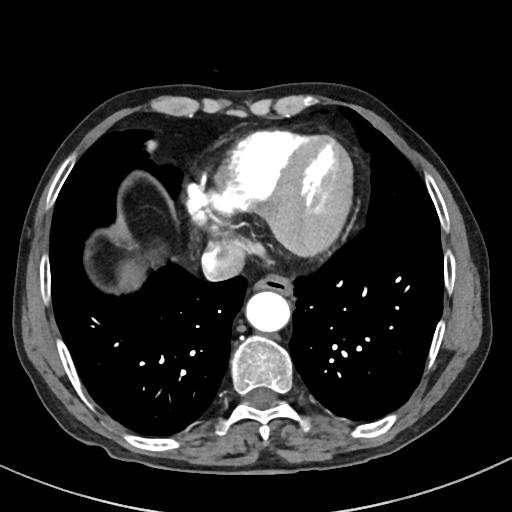 Computed tomography, abdomen. axial view. soft-tissue window (W 400 / L 40). acquired on SOMATOM Force. scan has 15 labeled organs (a whole-scan count: organs this slice does not pass through have no box)
Organ boxes in pixel coordinates; each row gives the top-left (x1, y1) and bottom-right (x2, y2) corners.
| organ | x1 | y1 | x2 | y2 |
|---|---|---|---|---|
| inferior vena cava | 202 | 240 | 245 | 280 |
| aorta | 246 | 291 | 290 | 331 |
| esophagus | 253 | 274 | 293 | 295 |
| liver | 119 | 262 | 142 | 289 |